CT, abdomen/pelvis — axial plane, index 62 — 768x768 px — 30-year-old male patient
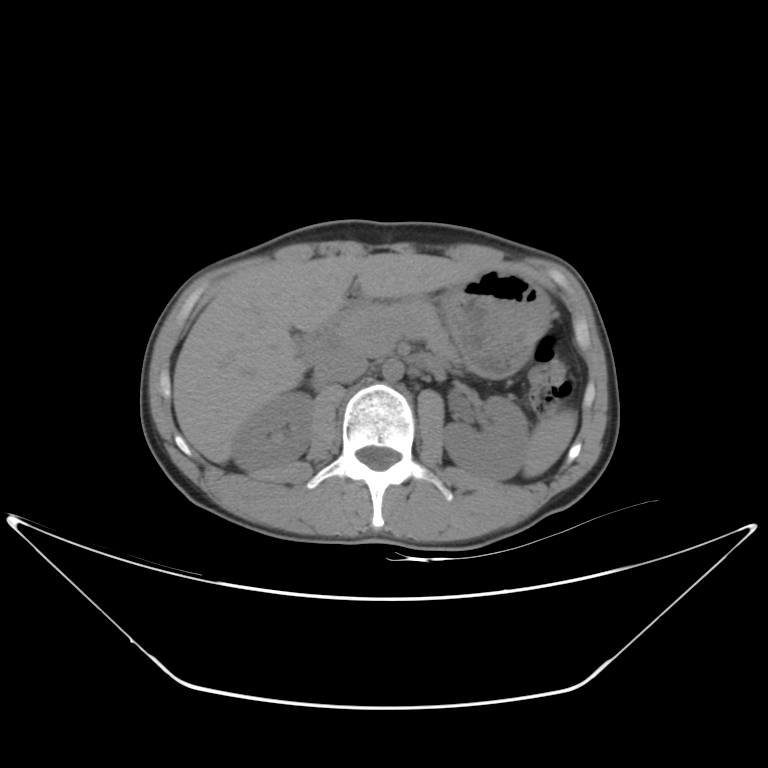 Coordinates as <box>x1,y1,x2,y2</box> in pixels. 9 labeled organs on this slice — liver at <box>173,253,480,463</box>; left kidney at <box>442,395,528,481</box>; inferior vena cava at <box>315,347,368,382</box>; pancreas at <box>332,299,452,357</box>; right kidney at <box>232,391,313,472</box>; duodenum at <box>300,287,369,362</box>; stomach at <box>443,269,550,377</box>; spleen at <box>523,409,577,477</box>; aorta at <box>383,359,404,382</box>.